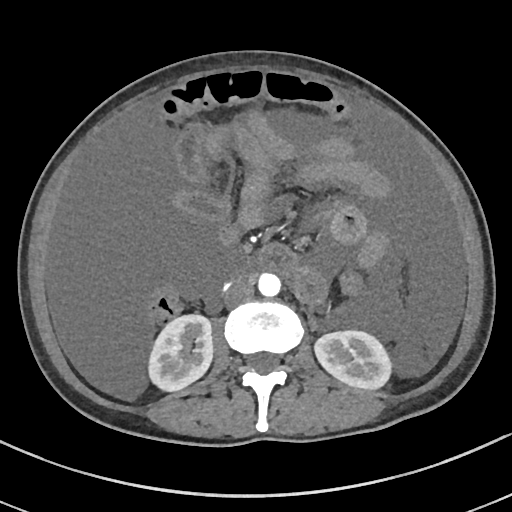

CT abdomen · axial view · 512x512 px
{"organs":{"aorta":[258,273,281,296],"right kidney":[148,314,213,391],"left kidney":[314,330,391,389],"inferior vena cava":[224,281,253,306]}}